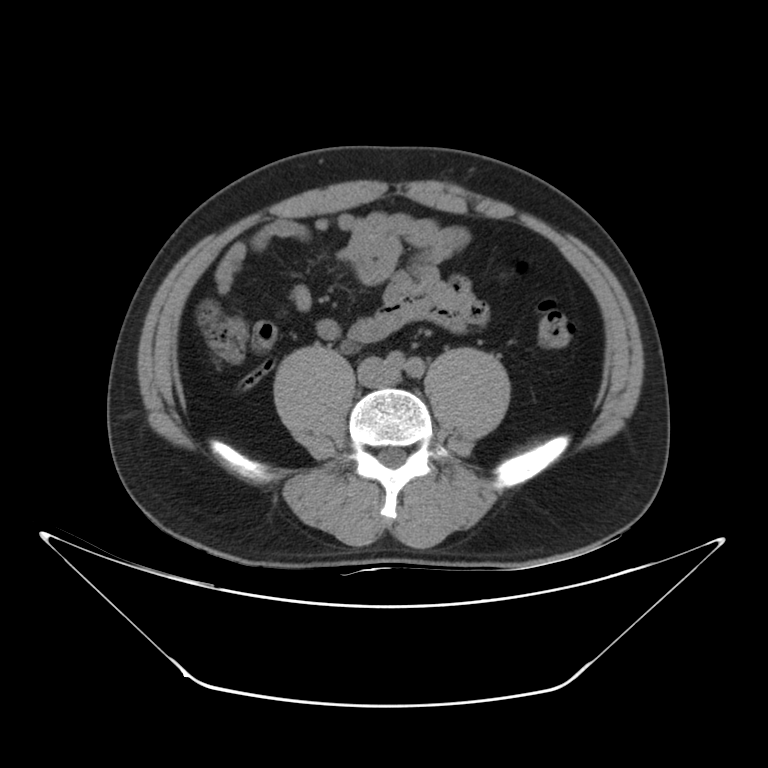

Abdominal CT; axial view; abdomen soft-tissue window; 15 organs annotated in this scan (counted over the whole 3D scan, not this slice; an organ is boxed only where this slice passes through it)
Boxes are (x1, y1, x2, y2) in pixels.
Organ bounding boxes:
- inferior vena cava: (360, 359, 395, 385)